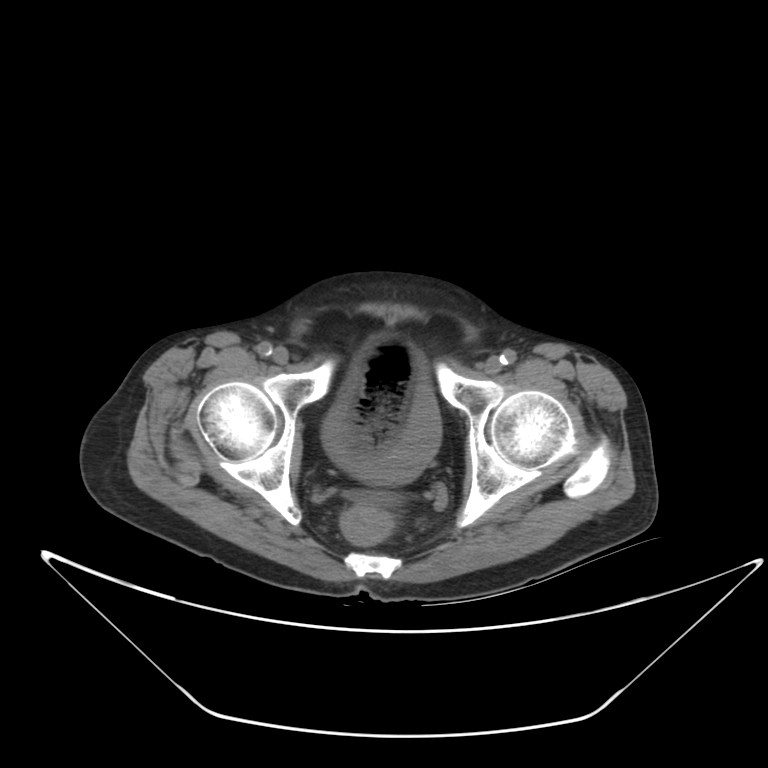

CT abdomen · axial view · soft-tissue window (W 400 / L 40) · 768x768 px
Coordinates as <box>x1,y1,x2,y2</box> in pixels. The annotated organs in this slice are: bladder at <box>322,366,441,484</box>.